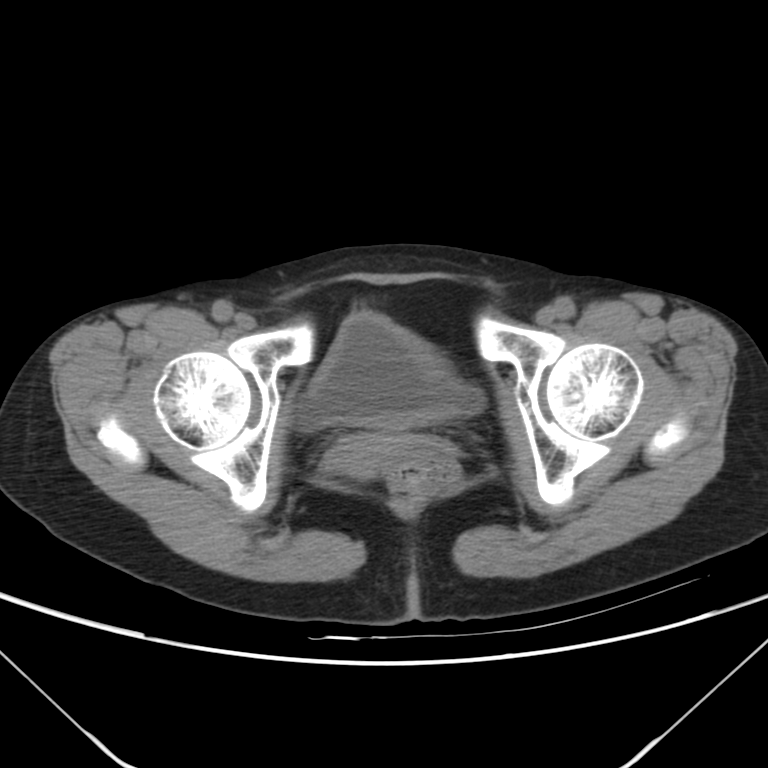

Computed tomography, abdomen; axial view; 63-year-old female patient; acquired on Brilliance16
{"organs":{"bladder":[295,312,484,430],"prostate/uterus":[326,434,440,473]}}